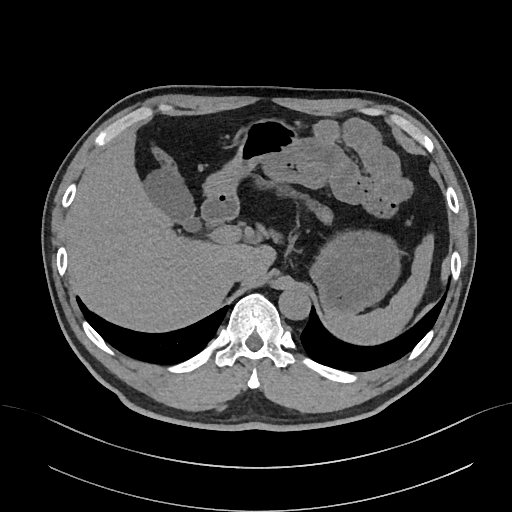
CT abdomen · axial view · 512x512 px · 15 organs annotated in this scan (counted over the whole 3D scan, not this slice; an organ is boxed only where this slice passes through it)
<organs><organ name="stomach" x1="203" y1="117" x2="399" y2="314"/><organ name="inferior vena cava" x1="223" y1="259" x2="247" y2="282"/><organ name="duodenum" x1="202" y1="196" x2="237" y2="222"/><organ name="aorta" x1="279" y1="288" x2="310" y2="320"/><organ name="liver" x1="65" y1="133" x2="277" y2="330"/><organ name="gall bladder" x1="142" y1="165" x2="198" y2="230"/><organ name="spleen" x1="324" y1="234" x2="432" y2="345"/></organs>